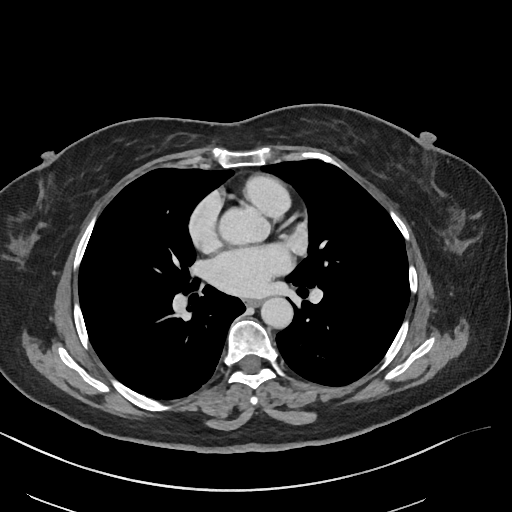
CT of the abdomen reaching into the lower chest, slice just above the liver and spleen. axial view. soft-tissue window. 512x512 px
Of the structures in the chest, this dataset labels only the esophagus, the aorta and the inferior vena cava; the heart and lungs have no label.
{"organs":{"esophagus":[246,299,259,306],"aorta":[260,296,292,327]}}